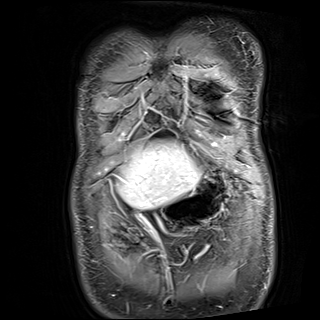 Magnetic resonance imaging, abdomen · coronal view
Box edges are left/top/right/bottom in pixels.
Organ bounding boxes:
- liver: left=118, top=142, right=199, bottom=208
- stomach: left=162, top=169, right=229, bottom=230